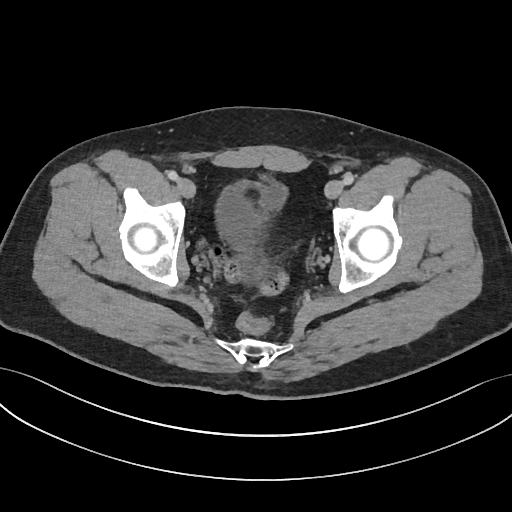 CT, abdomen/pelvis; axial view; soft-tissue window (W 400 / L 40); 512x512 px; 15 organs annotated in this scan (a whole-scan count: organs this slice does not pass through have no box)
Boxes: x1 y1 x2 y2 (pixel coords, space-separated). 1 labeled organ on this slice — bladder at 216 174 284 253.